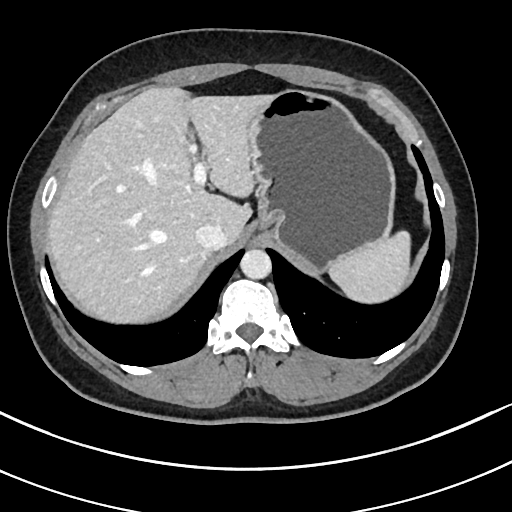 CT, abdomen/pelvis; axial plane, index 172; 512x512 px; acquired on SOMATOM Force; 15 organs annotated in this scan (that count is for the whole scan; organs this slice misses have no box)
{"organs":{"spleen":[328,231,410,303],"liver":[47,86,271,323],"stomach":[249,89,395,272],"aorta":[240,249,271,279],"inferior vena cava":[195,224,226,251]}}